CT of the abdomen reaching into the lower chest, slice just above the liver and spleen; axial view; 16-year-old male patient; acquired on Brilliance16
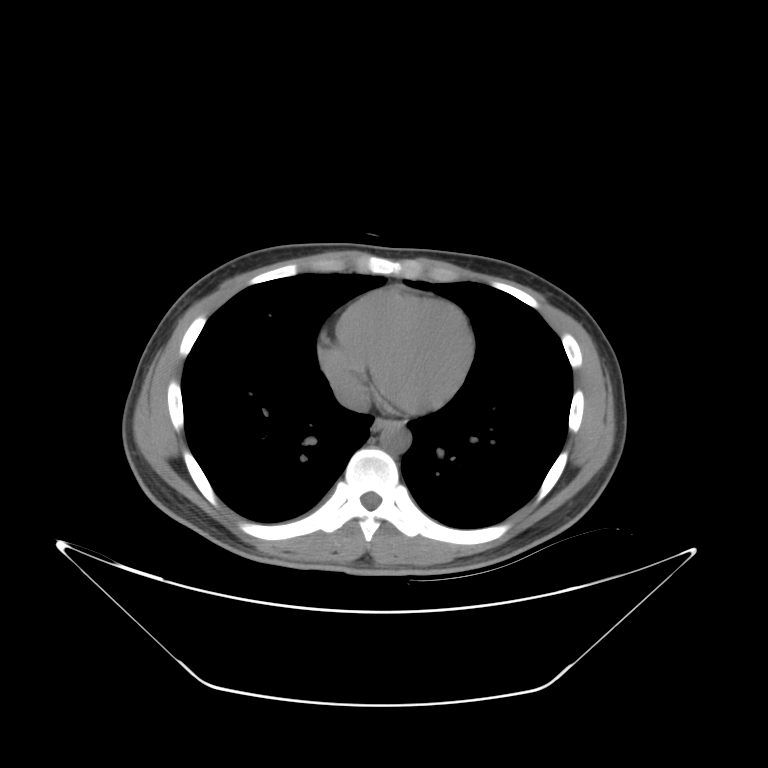

No part of the heart or lungs is labeled in this dataset, so neither has a box here.
{"organs":{"esophagus":[369,420,387,435],"aorta":[380,424,411,453],"inferior vena cava":[332,374,371,412]}}